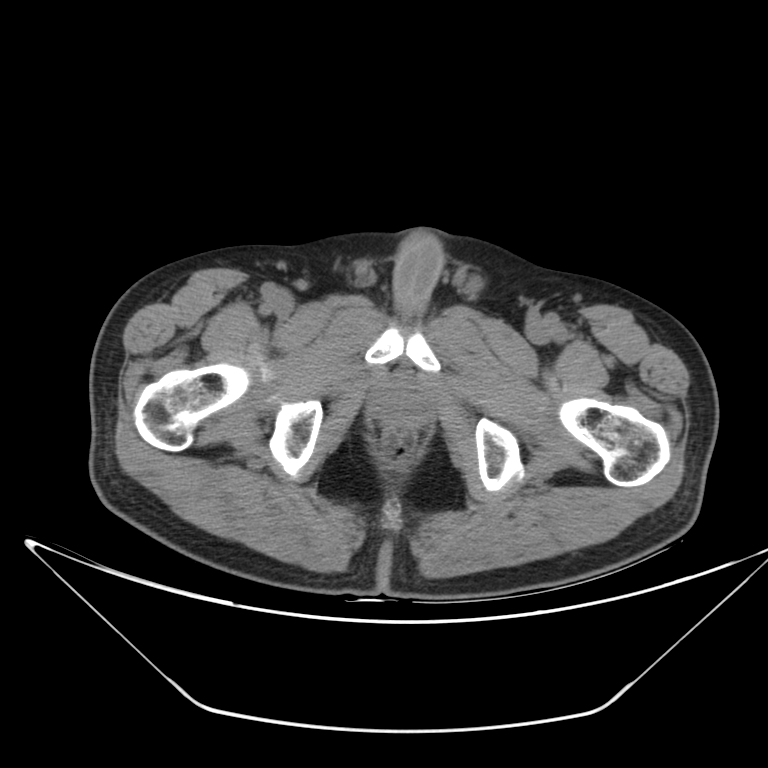
CT abdomen; axial view; soft-tissue window; 768x768 px; 56-year-old male patient; 14 organs annotated in this scan (counted over the whole 3D scan, not this slice; an organ is boxed only where this slice passes through it)
One row per box, in pixels: columns x1 and y1 give the top-left corner, x2 and y2 the bottom-right.
| organ | x1 | y1 | x2 | y2 |
|---|---|---|---|---|
| prostate/uterus | 373 | 377 | 430 | 428 |